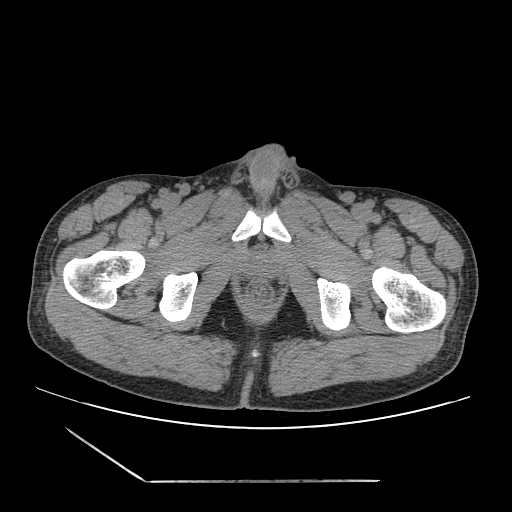

CT abdomen. axial plane, index 17. 512x512 px
<organs><organ name="prostate/uterus" x1="248" y1="257" x2="274" y2="275"/></organs>